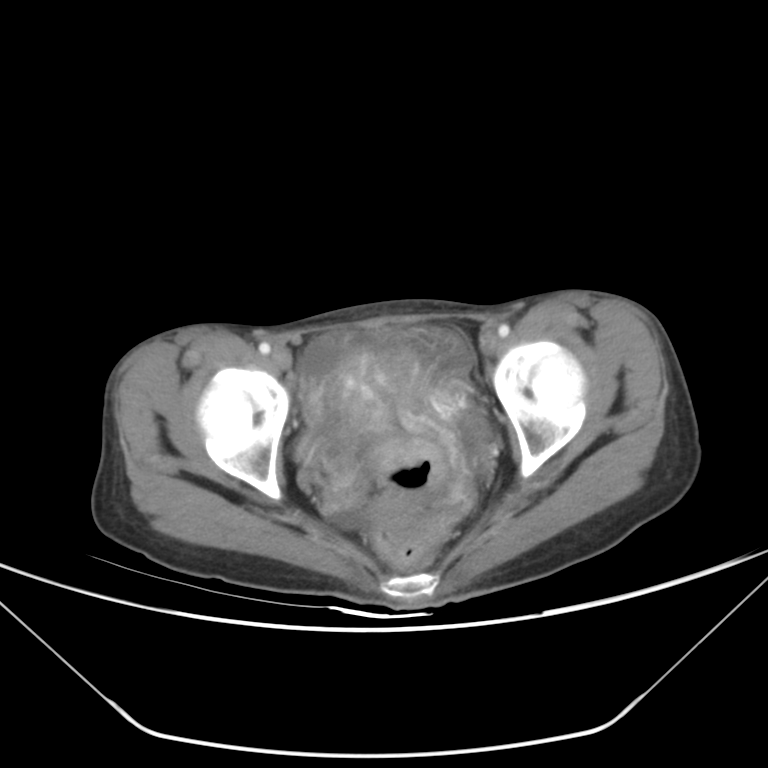
CT abdomen · axial plane, index 18 · W/L 400/40 HU
Boxes: x1 y1 x2 y2 (pixel coords, space-separated).
Organ bounding boxes:
- prostate/uterus: 314 347 458 441